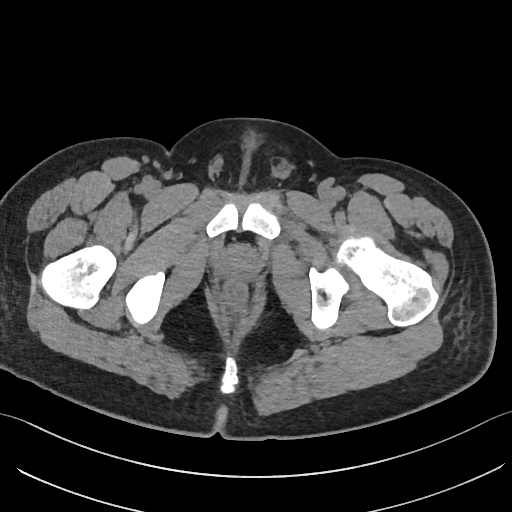 CT, abdomen/pelvis — axial view — W/L 400/40 HU — 512x512 px — scan has 15 labeled organs (counted over the whole 3D scan, not this slice; an organ is boxed only where this slice passes through it)
{"organs":{"prostate/uterus":[221,251,254,276]}}